Abdominal CT. axial view. soft-tissue window. 768x768 px. 15 organs annotated in this scan (counted over the whole 3D scan, not this slice; an organ is boxed only where this slice passes through it)
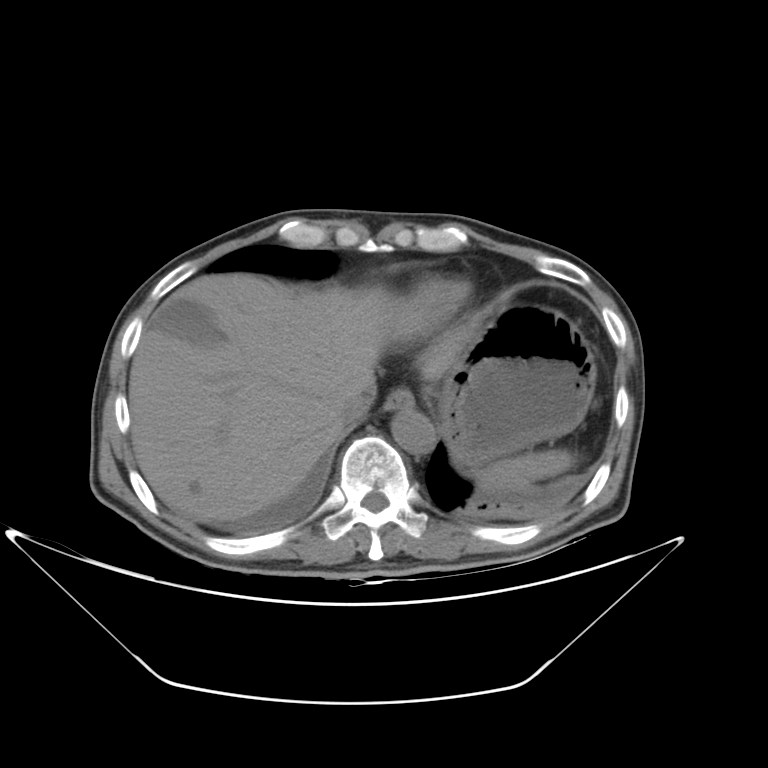

Organ boxes in pixel coordinates; each row gives the top-left (x1, y1) and bottom-right (x2, y2) corners.
| organ | x1 | y1 | x2 | y2 |
|---|---|---|---|---|
| aorta | 390 | 411 | 434 | 453 |
| liver | 128 | 273 | 468 | 523 |
| stomach | 434 | 305 | 597 | 464 |
| esophagus | 383 | 389 | 415 | 411 |
| gall bladder | 150 | 299 | 224 | 347 |
| spleen | 467 | 449 | 575 | 495 |
| inferior vena cava | 337 | 383 | 375 | 425 |